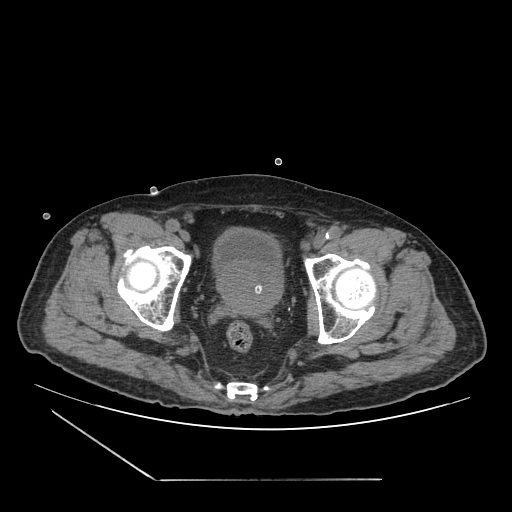 CT, abdomen/pelvis. axial view. abdomen soft-tissue window. acquired on SOMATOM Force
Box edges are left/top/right/bottom in pixels. The annotated organs in this slice are: bladder at left=213, top=227, right=282, bottom=284, prostate/uterus at left=217, top=269, right=281, bottom=315.